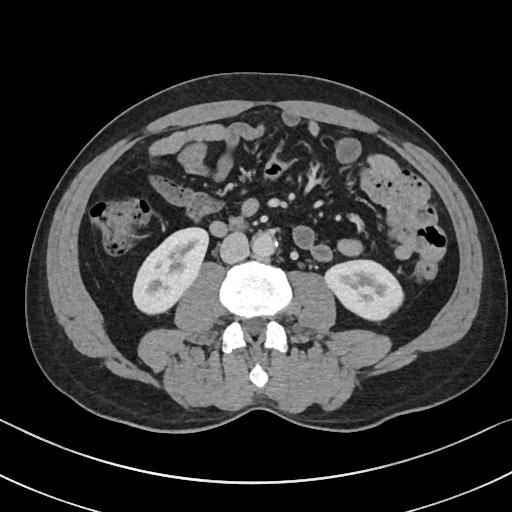 CT abdomen — axial view — acquired on SOMATOM Force
<organs><organ name="right kidney" x1="131" y1="228" x2="208" y2="316"/><organ name="left kidney" x1="324" y1="259" x2="404" y2="320"/><organ name="aorta" x1="253" y1="233" x2="276" y2="259"/><organ name="inferior vena cava" x1="220" y1="232" x2="249" y2="263"/><organ name="duodenum" x1="230" y1="218" x2="245" y2="229"/></organs>